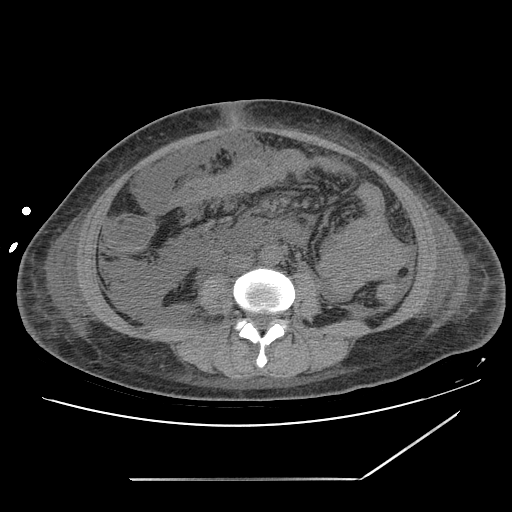 Computed tomography, abdomen; axial view; scan has 15 labeled organs (that count is for the whole scan; organs this slice misses have no box)
One row per box, in pixels: columns x1 and y1 give the top-left corner, x2 and y2 the bottom-right.
| organ | x1 | y1 | x2 | y2 |
|---|---|---|---|---|
| aorta | 259 | 245 | 281 | 265 |
| inferior vena cava | 228 | 255 | 253 | 273 |